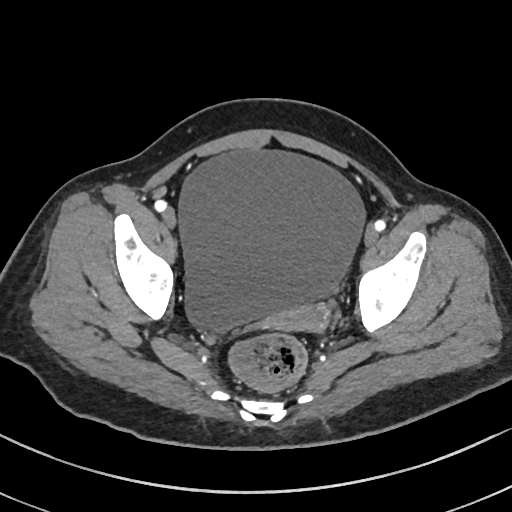 Computed tomography, abdomen. Axial slice 36/191
{"organs":{"bladder":[179,149,365,331],"prostate/uterus":[272,305,327,329]}}